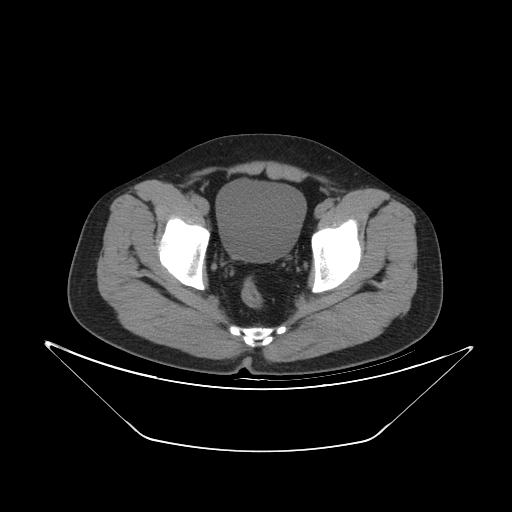 Abdominal CT · axial plane, index 17 · Brilliance16 scanner
<organs><organ name="bladder" x1="215" y1="178" x2="306" y2="262"/></organs>